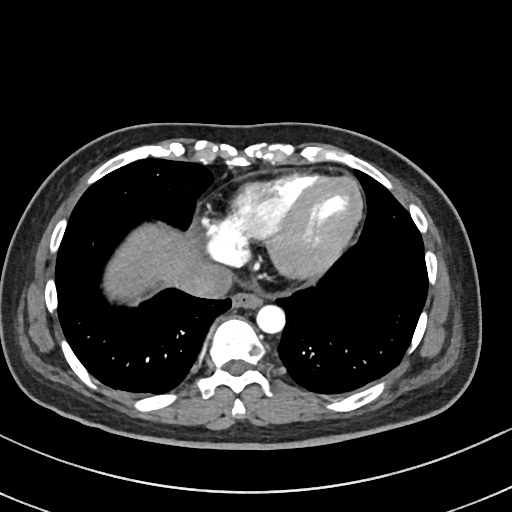

Computed tomography, abdomen. Axial slice 189/191
{"organs":{"inferior vena cava":[181,264,234,298],"aorta":[257,305,285,334],"esophagus":[231,292,263,309],"liver":[108,226,203,294]}}